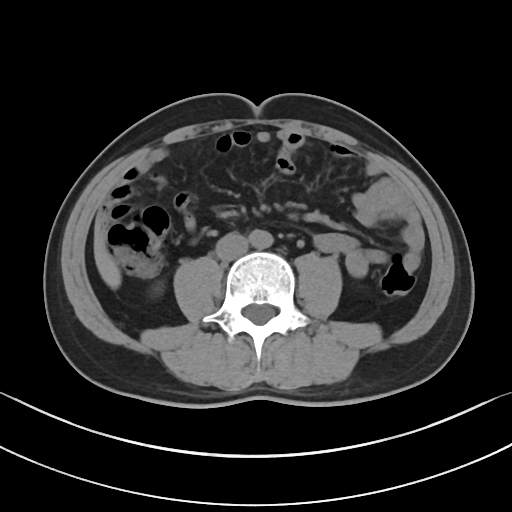
CT, abdomen/pelvis; axial view; soft-tissue window (W 400 / L 40)
{"organs":{"aorta":[248,229,273,248],"inferior vena cava":[215,234,248,261],"liver":[94,222,121,289]}}